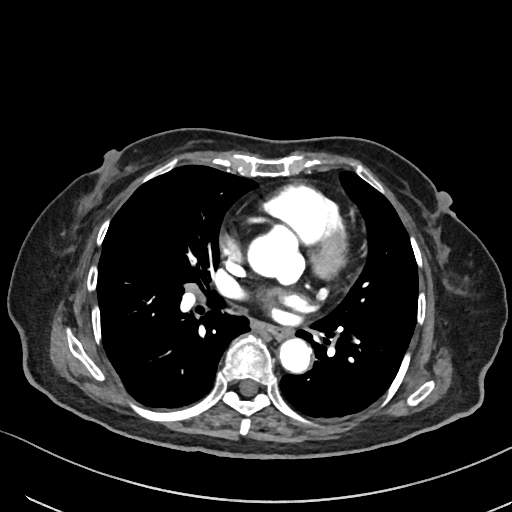

Lower-chest slice from an abdominal CT, just above the liver and spleen · axial plane, index 231
Of the structures in the chest, this dataset labels only the esophagus, the aorta and the inferior vena cava; the heart and lungs have no label.
Organ boxes in pixel coordinates; each row gives the top-left (x1, y1) and bottom-right (x2, y2) corners.
| organ | x1 | y1 | x2 | y2 |
|---|---|---|---|---|
| aorta | 279 | 338 | 311 | 372 |
| esophagus | 266 | 325 | 290 | 338 |